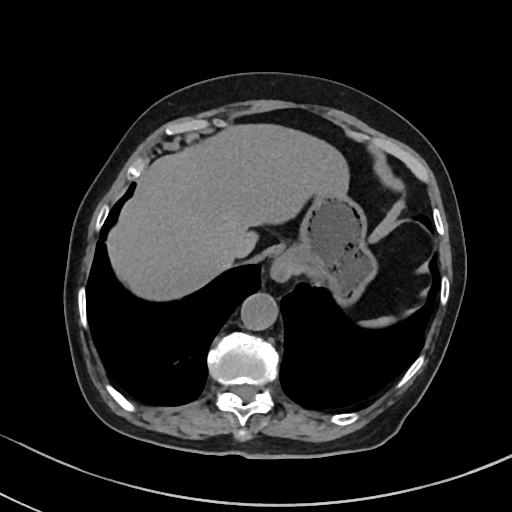
Computed tomography, abdomen; axial view; abdomen soft-tissue window; 512x512 px; scan has 15 labeled organs (counted over the whole 3D scan, not this slice; an organ is boxed only where this slice passes through it)
Bounding boxes in pixels, one row per box: x1, y1 is the top-left corner and x2, y2 the bottom-right.
| organ | x1 | y1 | x2 | y2 |
|---|---|---|---|---|
| inferior vena cava | 227 | 239 | 249 | 258 |
| liver | 107 | 124 | 349 | 300 |
| spleen | 361 | 316 | 394 | 327 |
| aorta | 240 | 293 | 278 | 330 |
| esophagus | 271 | 257 | 292 | 280 |
| stomach | 280 | 191 | 377 | 305 |